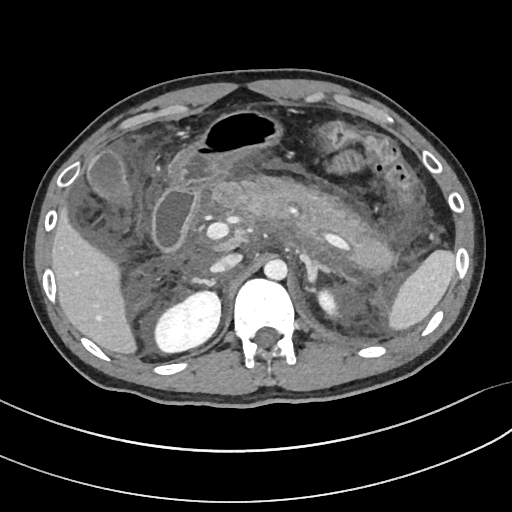

CT abdomen. axial plane, index 173
Organ boxes in pixel coordinates; each row gives the top-left (x1, y1) and bottom-right (x2, y2) corners.
| organ | x1 | y1 | x2 | y2 |
|---|---|---|---|---|
| duodenum | 153 | 189 | 199 | 250 |
| left kidney | 318 | 292 | 338 | 315 |
| liver | 51 | 203 | 138 | 354 |
| aorta | 264 | 259 | 287 | 280 |
| right kidney | 155 | 292 | 220 | 351 |
| left adrenal gland | 300 | 253 | 330 | 286 |
| inferior vena cava | 210 | 253 | 241 | 273 |
| spleen | 387 | 250 | 454 | 331 |
| pancreas | 215 | 177 | 394 | 272 |
| right adrenal gland | 194 | 278 | 218 | 287 |
| gall bladder | 86 | 150 | 133 | 209 |
| stomach | 170 | 107 | 288 | 194 |